CT, abdomen/pelvis. axial plane, index 52. soft-tissue window
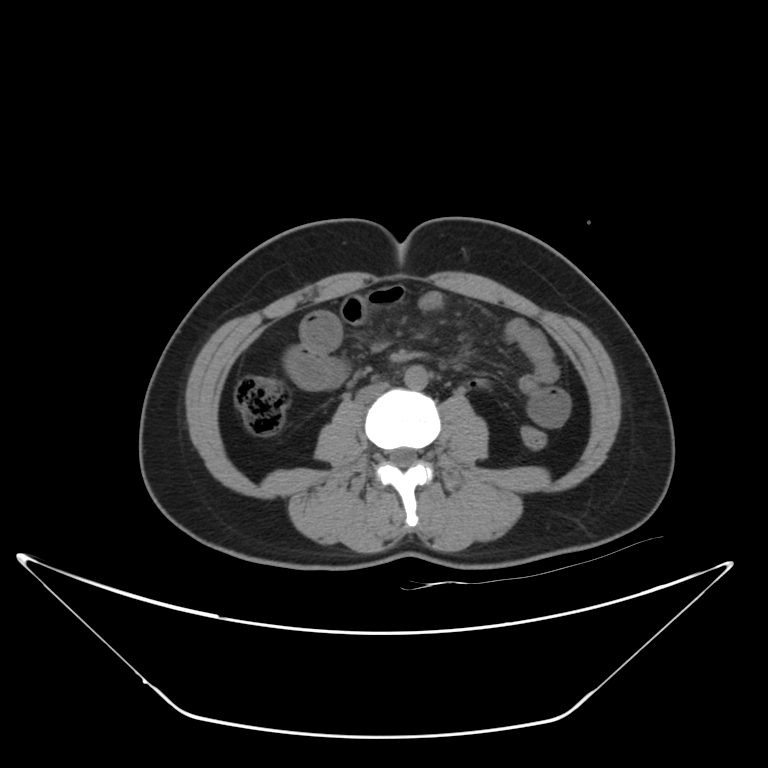 {"organs":{"aorta":[404,365,427,388],"inferior vena cava":[356,383,387,403]}}